MRI, abdomen. coronal acquisition. Prisma scanner
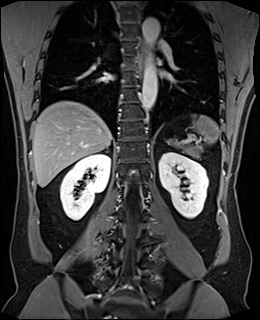
<organs><organ name="aorta" x1="141" y1="17" x2="159" y2="111"/><organ name="left kidney" x1="158" y1="152" x2="208" y2="218"/><organ name="pancreas" x1="182" y1="150" x2="198" y2="157"/><organ name="right kidney" x1="60" y1="153" x2="110" y2="220"/><organ name="esophagus" x1="137" y1="44" x2="143" y2="74"/><organ name="liver" x1="32" y1="101" x2="112" y2="187"/><organ name="right adrenal gland" x1="107" y1="147" x2="108" y2="150"/><organ name="spleen" x1="166" y1="115" x2="218" y2="152"/></organs>